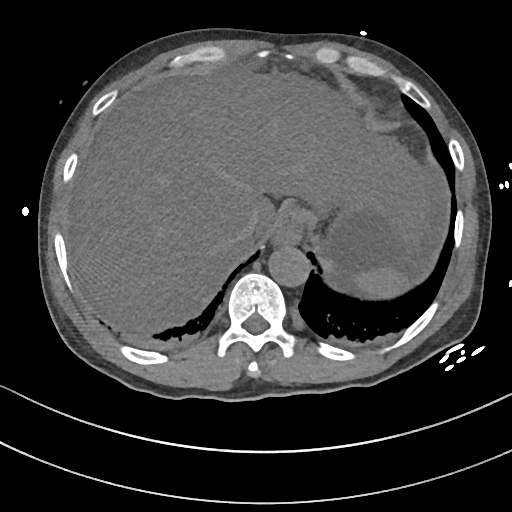
Computed tomography, abdomen; axial view; 15 organs annotated in this scan (counted over the whole 3D scan, not this slice; an organ is boxed only where this slice passes through it)
<organs><organ name="esophagus" x1="272" y1="199" x2="306" y2="243"/><organ name="inferior vena cava" x1="234" y1="218" x2="255" y2="248"/><organ name="liver" x1="83" y1="66" x2="428" y2="321"/><organ name="aorta" x1="267" y1="244" x2="307" y2="285"/><organ name="stomach" x1="277" y1="191" x2="438" y2="282"/><organ name="spleen" x1="351" y1="269" x2="408" y2="298"/></organs>